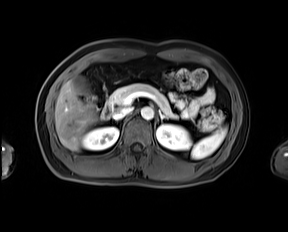 MRI, abdomen · Axial slice 30/72 · acquired on Prisma
<organs><organ name="spleen" x1="191" y1="127" x2="227" y2="158"/><organ name="liver" x1="55" y1="80" x2="97" y2="150"/><organ name="pancreas" x1="109" y1="83" x2="176" y2="118"/><organ name="gall bladder" x1="72" y1="76" x2="88" y2="94"/><organ name="right kidney" x1="82" y1="127" x2="118" y2="150"/><organ name="left adrenal gland" x1="159" y1="111" x2="167" y2="120"/><organ name="duodenum" x1="101" y1="99" x2="111" y2="119"/><organ name="left kidney" x1="156" y1="124" x2="191" y2="149"/><organ name="inferior vena cava" x1="113" y1="107" x2="132" y2="119"/><organ name="aorta" x1="141" y1="107" x2="153" y2="119"/></organs>